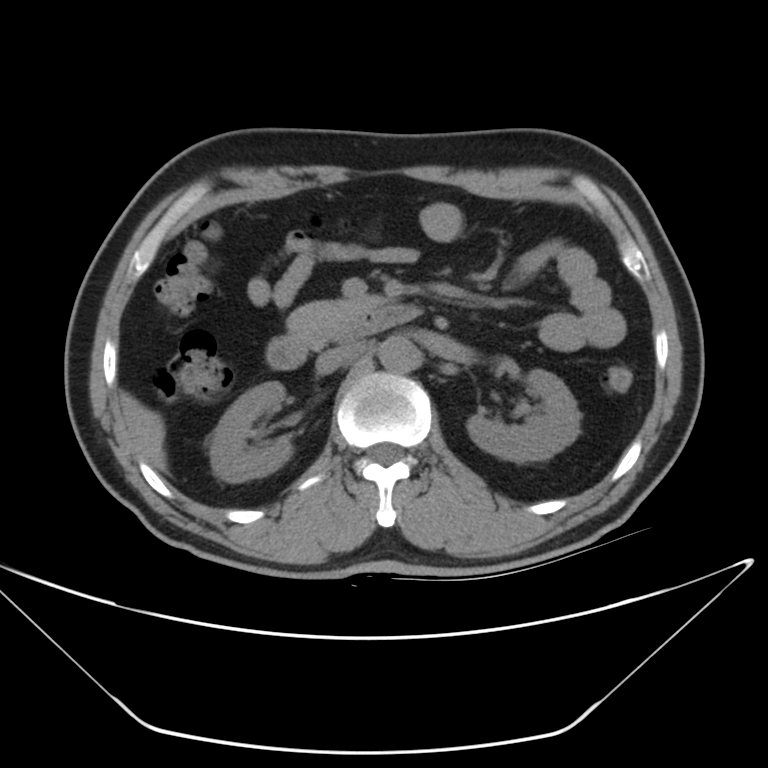

Computed tomography, abdomen — axial view — 45-year-old male patient
Boxes: x1 y1 x2 y2 (pixel coords, space-separated).
right kidney: 210 382 292 479
left kidney: 466 368 578 460
liver: 124 393 166 469
aorta: 377 334 419 370
inferior vena cava: 318 345 354 373
pancreas: 290 295 389 347
duodenum: 265 307 422 368